Abdominal MRI · Axial slice 13/72
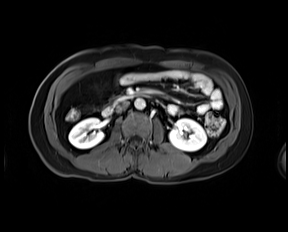 Boxes are (x1, y1, x2, y2) in pixels.
duodenum: (102, 94, 144, 116)
aorta: (134, 98, 145, 109)
right kidney: (69, 118, 103, 148)
inferior vena cava: (116, 101, 129, 111)
left kidney: (169, 118, 206, 151)